CT, abdomen/pelvis · axial view · Brilliance16 scanner · 15 organs annotated in this scan (a whole-scan count: organs this slice does not pass through have no box)
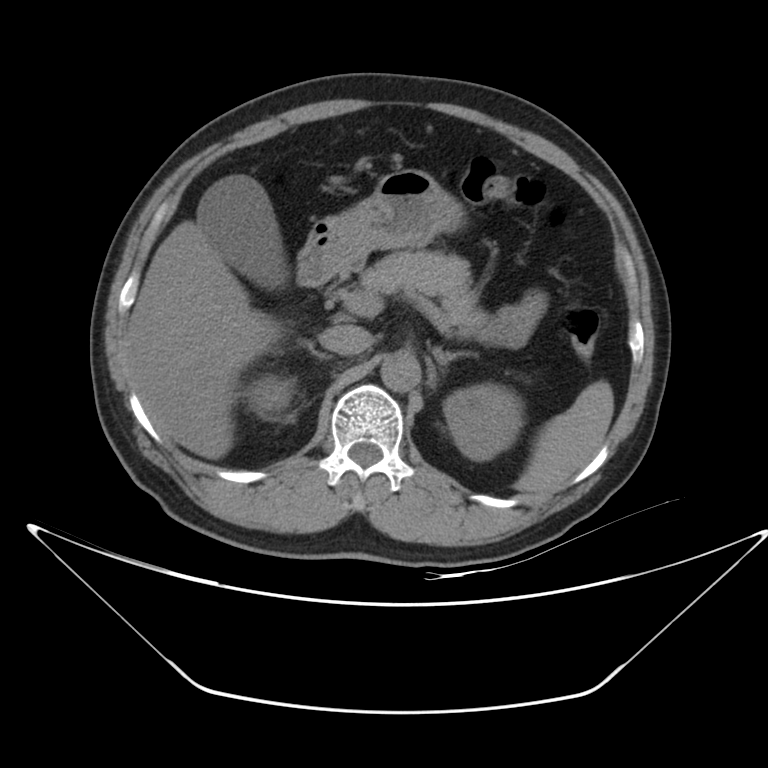 Each box given as x1,y1,x2,y2.
left adrenal gland: x1=433, y1=346, x2=472, y2=366
left kidney: x1=444, y1=384, x2=524, y2=461
duodenum: x1=298, y1=248, x2=334, y2=286
spleen: x1=515, y1=380, x2=614, y2=493
pancreas: x1=358, y1=250, x2=487, y2=340
right kidney: x1=243, y1=373, x2=294, y2=418
gall bladder: x1=198, y1=175, x2=286, y2=288
liver: x1=125, y1=218, x2=281, y2=460
right adrenal gland: x1=312, y1=351, x2=332, y2=359
aorta: x1=381, y1=351, x2=419, y2=391
stomach: x1=305, y1=168, x2=465, y2=272
inferior vena cava: x1=319, y1=324, x2=370, y2=355